Abdominal CT · axial view · 15 organs annotated in this scan (counted over the whole 3D scan, not this slice; an organ is boxed only where this slice passes through it)
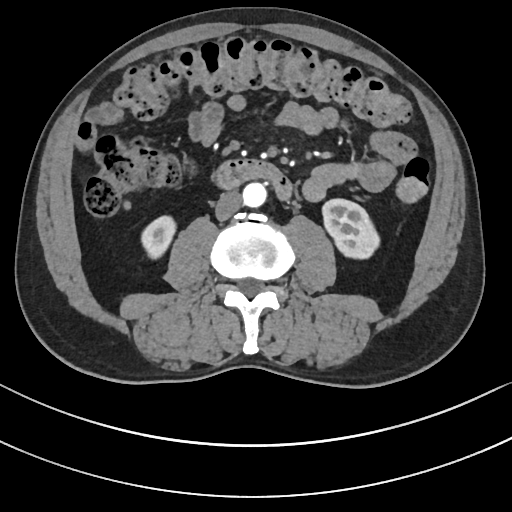
Bounding boxes as [x1, y1, x2, y2] in pixel coordinates.
Organ bounding boxes:
- right kidney: [140, 217, 175, 258]
- left kidney: [322, 199, 379, 258]
- aorta: [243, 182, 266, 206]
- inferior vena cava: [215, 191, 242, 219]
- duodenum: [215, 159, 291, 197]